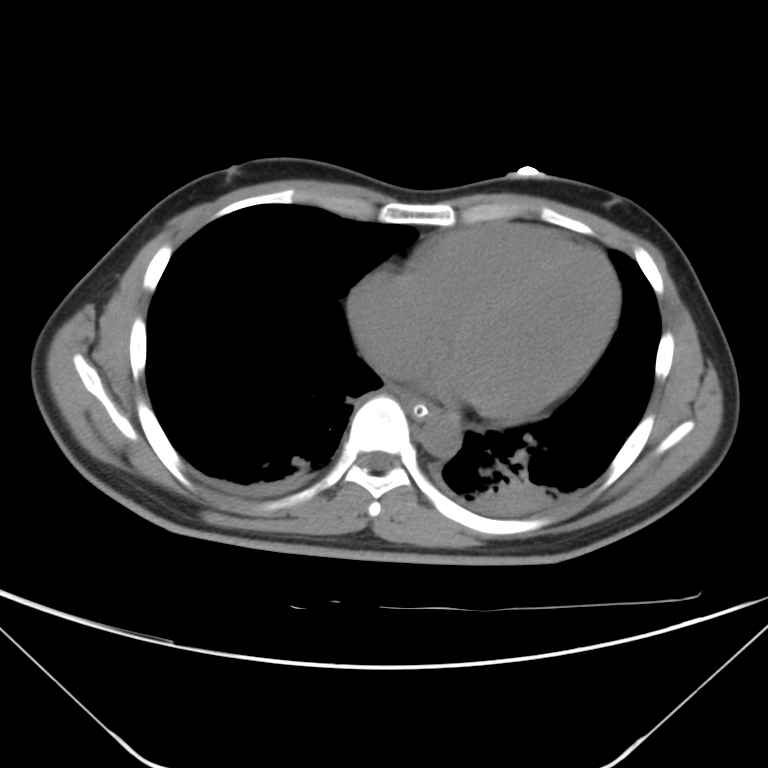
CT of the abdomen reaching into the lower chest, slice just above the liver and spleen. axial view. soft-tissue window. acquired on Brilliance16. 15 organs annotated in this scan (that count is for the whole scan; organs this slice misses have no box)
The heart and lungs are never labeled in this dataset, so they have no box on this slice.
Organ boxes in pixel coordinates; each row gives the top-left (x1, y1) and bottom-right (x2, y2) corners.
| organ | x1 | y1 | x2 | y2 |
|---|---|---|---|---|
| esophagus | 401 | 392 | 435 | 419 |
| aorta | 420 | 412 | 461 | 458 |